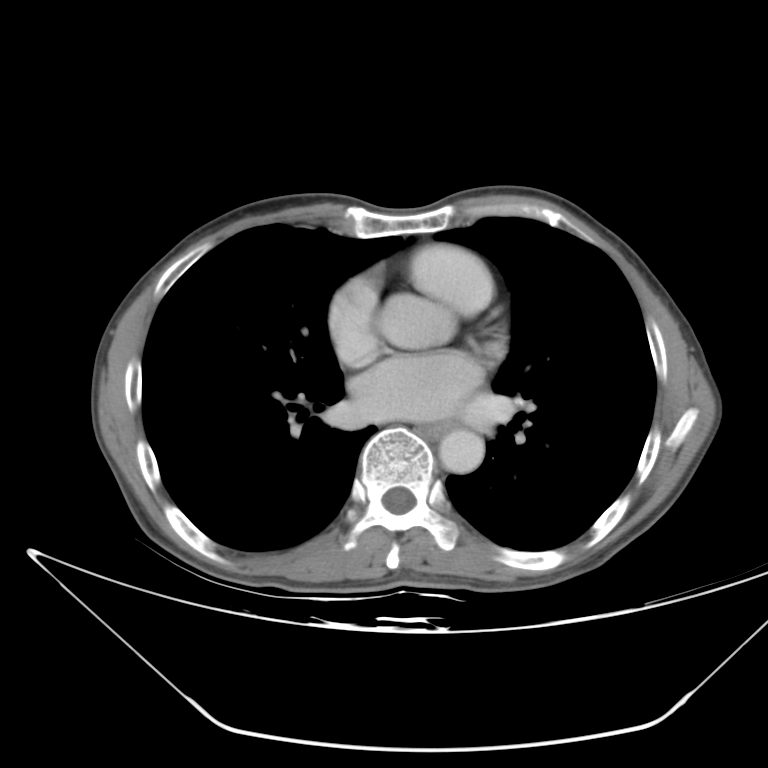 Abdominal CT reaching into the chest; this slice is in the chest. Axial slice 70/104. soft-tissue window. 768x768 px. 62-year-old male patient. acquired on Brilliance16. 13 organs annotated in this scan (a whole-scan count: organs this slice does not pass through have no box)
At this level of the chest no structure but the esophagus and the aorta has a label in this dataset, and those two are boxed only where they are labeled.
Bounding boxes in pixels, one row per box: x1, y1 is the top-left corner and x2, y2 the bottom-right.
| organ | x1 | y1 | x2 | y2 |
|---|---|---|---|---|
| aorta | 437 | 429 | 482 | 470 |
| esophagus | 415 | 420 | 462 | 439 |